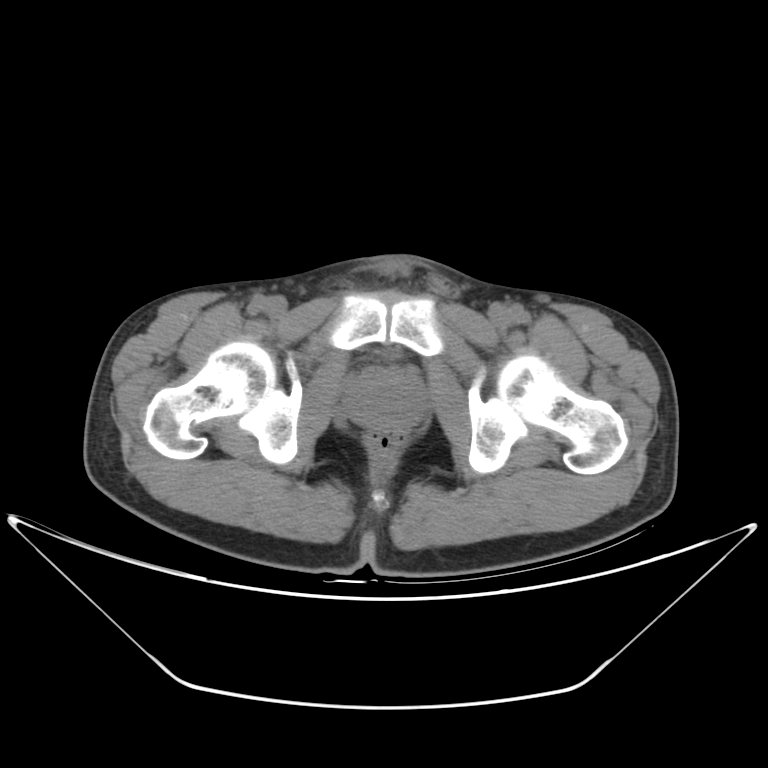 CT abdomen · axial view · Brilliance16 scanner
{"organs":{"prostate/uterus":[342,369,426,429]}}